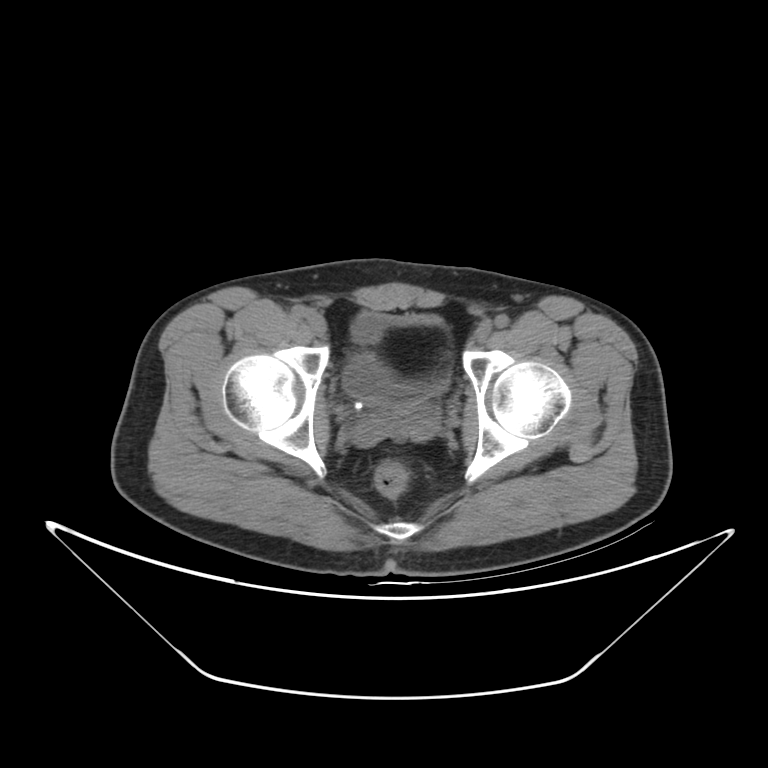

Computed tomography, abdomen — axial view — 25-year-old male patient
One row per box, in pixels: columns x1 and y1 give the top-left corner, x2 and y2 the bottom-right.
| organ | x1 | y1 | x2 | y2 |
|---|---|---|---|---|
| bladder | 343 | 312 | 451 | 406 |
| prostate/uterus | 380 | 404 | 416 | 425 |